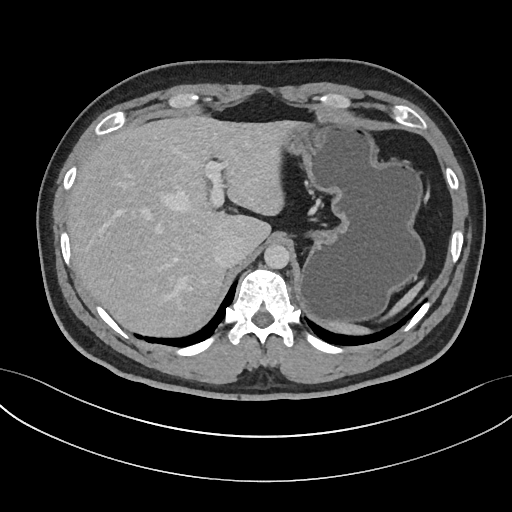 CT abdomen; axial view; soft-tissue window; 15 organs annotated in this scan (that count is for the whole scan; organs this slice misses have no box)
Each box given as x1,y1,x2,y2.
Organ bounding boxes:
- spleen: x1=334, y1=281, x2=422, y2=334
- liver: x1=66, y1=116, x2=302, y2=334
- stomach: x1=283, y1=122, x2=426, y2=324
- aorta: x1=264, y1=244, x2=290, y2=269
- inferior vena cava: x1=213, y1=236, x2=246, y2=266